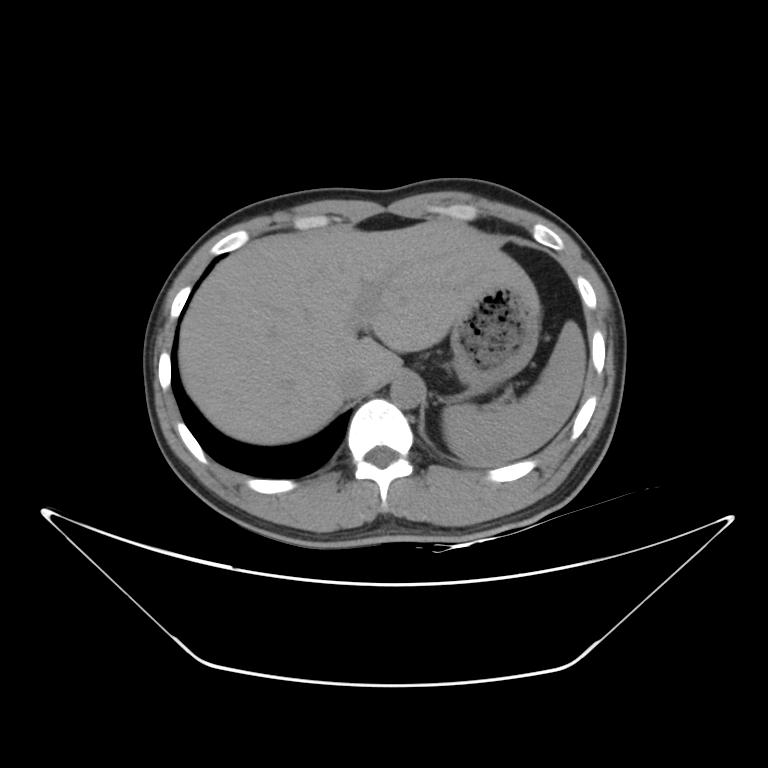
CT abdomen. axial view. 37-year-old male patient. acquired on Brilliance16
Boxes: x1 y1 x2 y2 (pixel coords, space-separated).
Organ bounding boxes:
- spleen: 443 321 585 466
- liver: 178 221 538 445
- stomach: 451 286 540 393
- aorta: 390 374 424 408
- inferior vena cava: 338 369 367 395